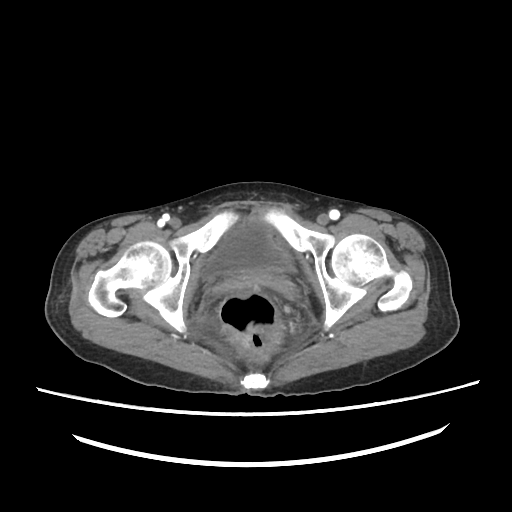 CT abdomen. axial view. soft-tissue window. 58-year-old female patient
{"organs":{"bladder":[203,220,290,275]}}